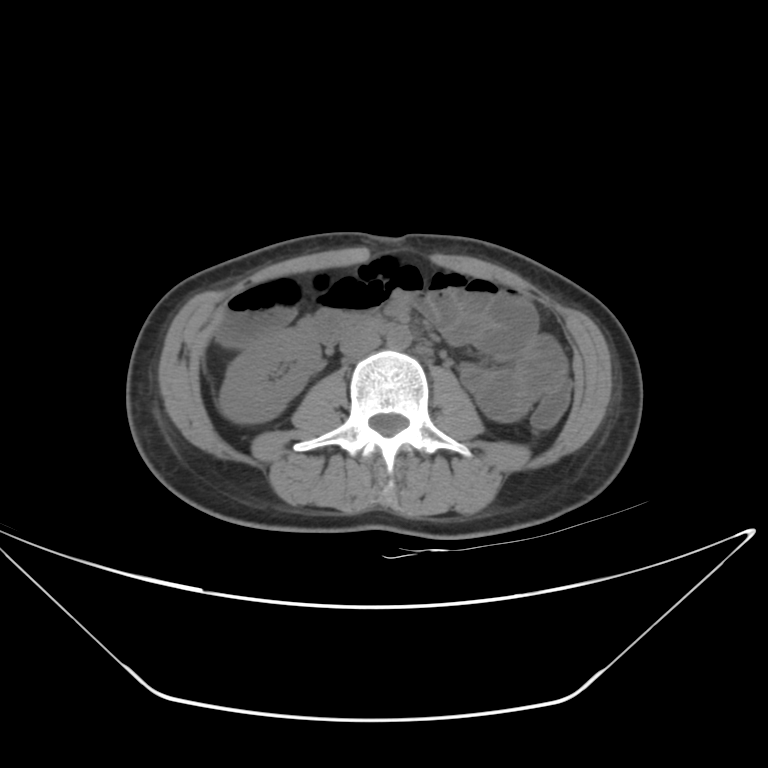
CT abdomen. axial view. 768x768 px. 32-year-old female patient
Boxes: x1:y1:x2:y2 in pixels. The annotated organs in this slice are: right kidney at 219:329:320:422, aorta at 385:326:411:349, inferior vena cava at 340:331:380:357, duodenum at 302:314:389:340.